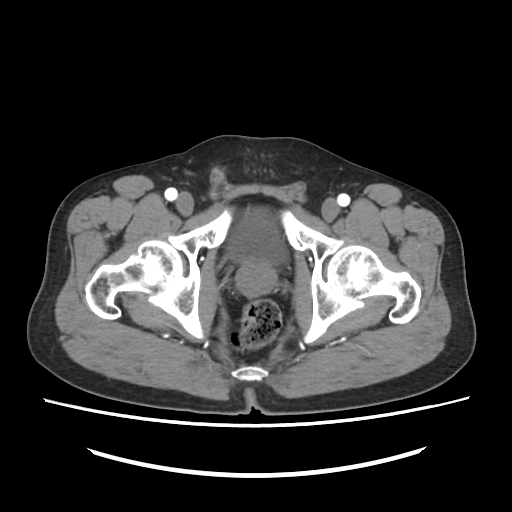 Computed tomography, abdomen — axial view — 46-year-old male patient
Coordinates as <box>x1,y1,x2,y2</box> in pixels.
Organ bounding boxes:
- bladder: <box>228,209,286,264</box>
- prostate/uterus: <box>236,261,276,297</box>